CT abdomen; axial view; abdomen soft-tissue window; 15 organs annotated in this scan (a whole-scan count: organs this slice does not pass through have no box)
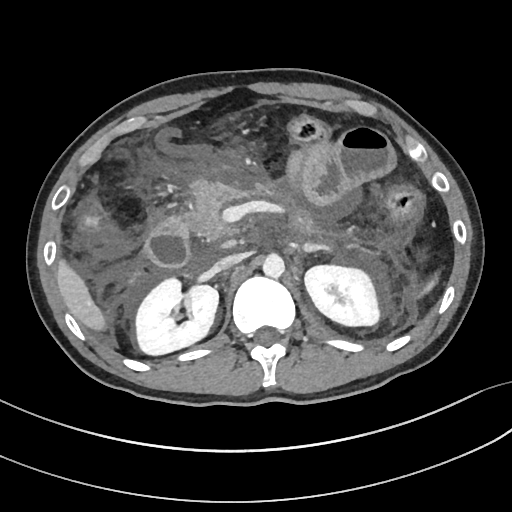 Boxes: x1 y1 x2 y2 (pixel coords, space-separated). The annotated organs in this slice are: pancreas at 182 181 238 242, left kidney at 304 264 381 325, left adrenal gland at 303 244 329 252, inferior vena cava at 213 254 243 271, duodenum at 146 218 189 267, liver at 57 261 105 331, aorta at 262 253 284 277, spleen at 419 276 436 297, right kidney at 135 276 218 355.